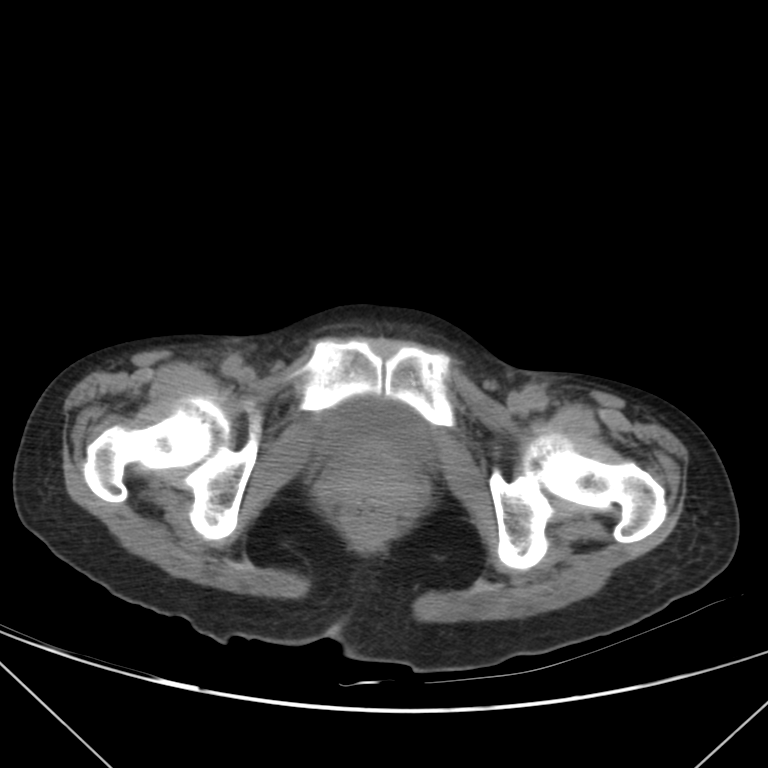

CT abdomen · axial view · soft-tissue window · 15 organs annotated in this scan (counted over the whole 3D scan, not this slice; an organ is boxed only where this slice passes through it)
Box edges are left/top/right/bottom in pixels. Labeled organs on this slice: bladder at left=321, top=398, right=430, bottom=466.